Abdominal CT — axial view — soft-tissue window (W 400 / L 40) — 512x512 px — scan has 15 labeled organs (that count is for the whole scan; organs this slice misses have no box)
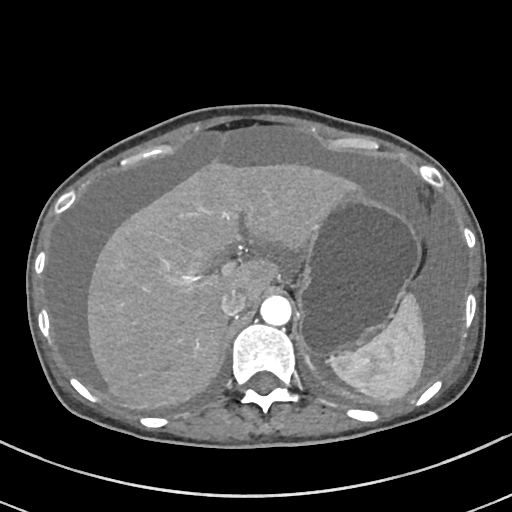
<organs><organ name="spleen" x1="332" y1="292" x2="426" y2="403"/><organ name="liver" x1="87" y1="160" x2="353" y2="408"/><organ name="stomach" x1="299" y1="186" x2="419" y2="355"/><organ name="aorta" x1="260" y1="295" x2="291" y2="325"/><organ name="inferior vena cava" x1="220" y1="289" x2="247" y2="317"/></organs>